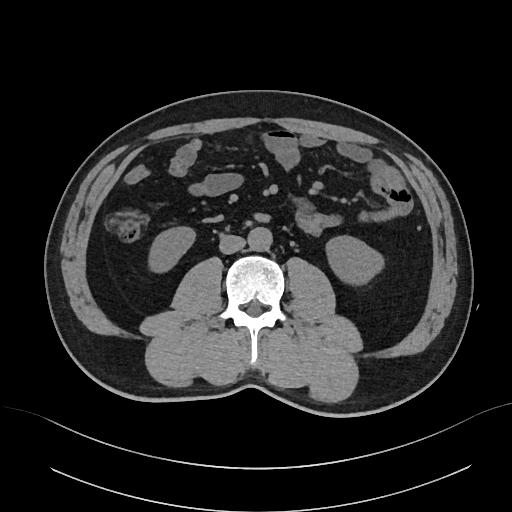

Abdominal CT. axial view. soft-tissue window. scan has 15 labeled organs (that count is for the whole scan; organs this slice misses have no box)
One row per box, in pixels: columns x1 and y1 give the top-left corner, x2 and y2 the bottom-right.
| organ | x1 | y1 | x2 | y2 |
|---|---|---|---|---|
| right kidney | 148 | 225 | 196 | 273 |
| left kidney | 324 | 235 | 384 | 285 |
| aorta | 248 | 227 | 272 | 251 |
| inferior vena cava | 219 | 235 | 245 | 254 |